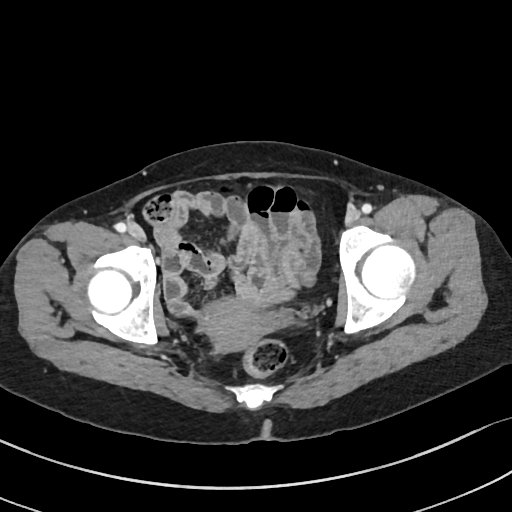
Computed tomography, abdomen. axial plane, index 30. soft-tissue window. 512x512 px
Boxes: x1:y1:x2:y2 in pixels. The annotated organs in this slice are: prostate/uterus at 203:297:264:350.